CT abdomen. Axial slice 121/212
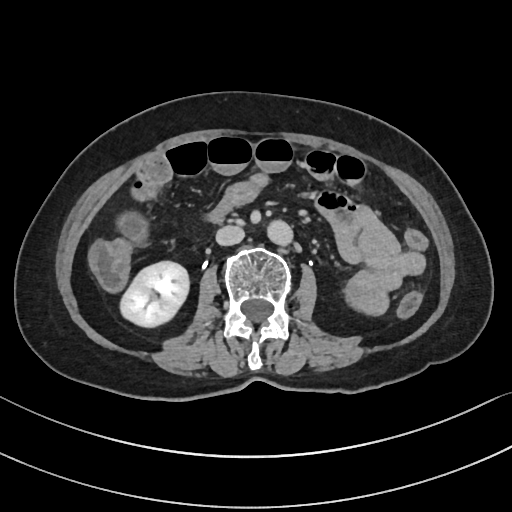

Bounding boxes in pixels, one row per box: x1, y1 is the top-left corner and x2, y2 the bottom-right.
| organ | x1 | y1 | x2 | y2 |
|---|---|---|---|---|
| right kidney | 120 | 261 | 189 | 327 |
| inferior vena cava | 216 | 225 | 244 | 245 |
| aorta | 267 | 220 | 293 | 245 |